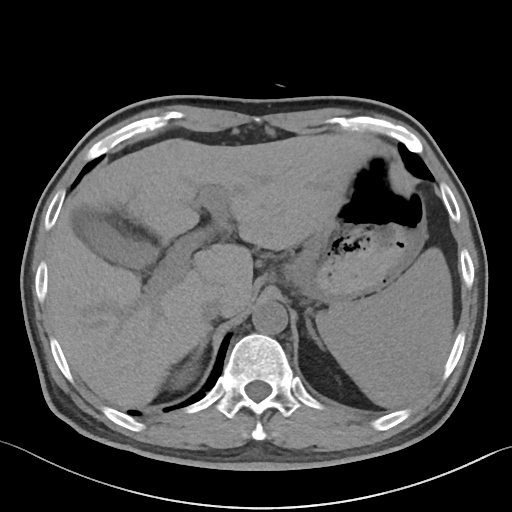 Computed tomography, abdomen. Axial slice 81/101. soft-tissue window (W 400 / L 40)
Boxes: x1 y1 x2 y2 (pixel coords, space-separated).
Organ bounding boxes:
- spleen: 316 247 453 407
- right kidney: 172 364 196 389
- gall bladder: 70 207 157 269
- liver: 47 135 444 408
- stomach: 282 150 426 303
- aorta: 252 301 287 334
- inferior vena cava: 200 298 223 320
- right adrenal gland: 192 334 209 358
- left adrenal gland: 305 317 321 346